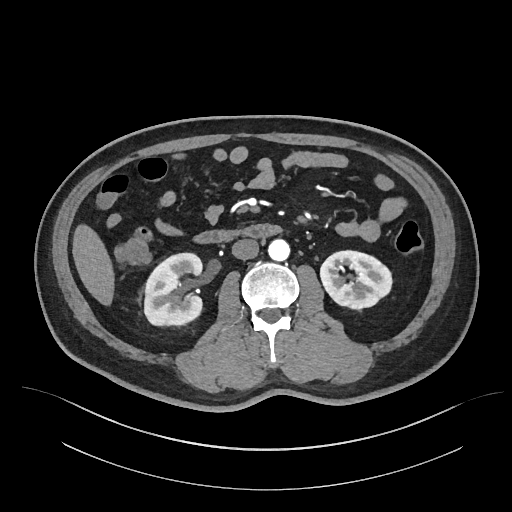 CT, abdomen/pelvis — axial view — abdomen soft-tissue window — SOMATOM Force scanner — 15 organs annotated in this scan (a whole-scan count: organs this slice does not pass through have no box)
{"organs":{"inferior vena cava":[231,238,259,259],"left kidney":[320,250,392,309],"duodenum":[194,224,282,243],"liver":[72,224,114,305],"aorta":[268,239,289,261],"right kidney":[144,253,202,325]}}